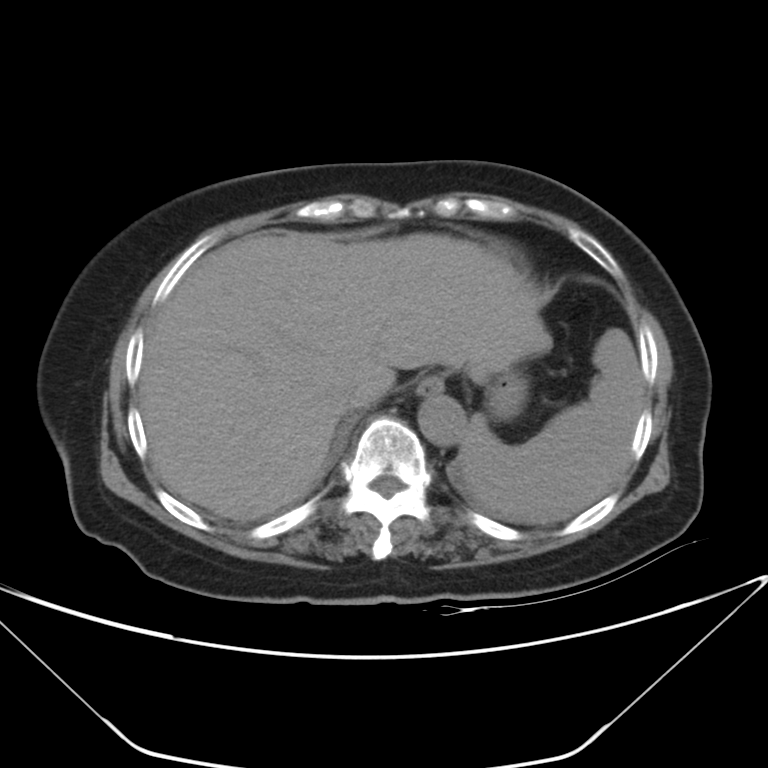

CT, abdomen/pelvis · Axial slice 79/94 · soft-tissue window (W 400 / L 40) · 768x768 px · 66-year-old female patient · acquired on Brilliance16
{"organs":{"spleen":[457,328,643,523],"esophagus":[416,376,443,396],"liver":[139,232,552,520],"stomach":[486,368,528,420],"aorta":[417,394,466,445],"inferior vena cava":[336,379,368,407]}}